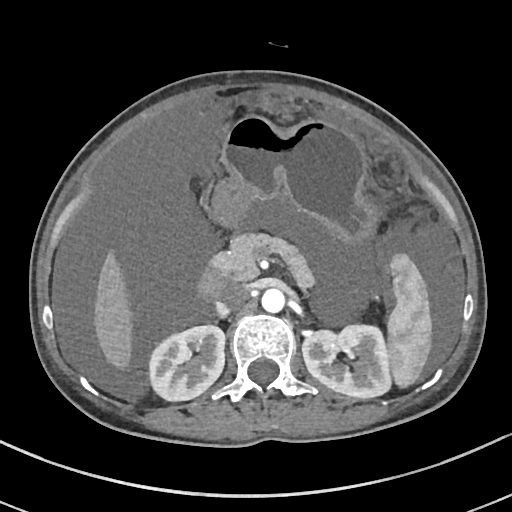

Abdominal CT; axial view; SOMATOM Force scanner
Boxes: x1:y1:x2:y2 in pixels.
Organ bounding boxes:
- stomach: 213:114:376:242
- duodenum: 197:269:227:301
- liver: 94:257:129:365
- spleen: 387:253:431:385
- aorta: 261:288:284:312
- pancreas: 209:232:311:283
- right kidney: 149:326:224:400
- left kidney: 302:323:392:398
- inferior vena cava: 216:285:246:314